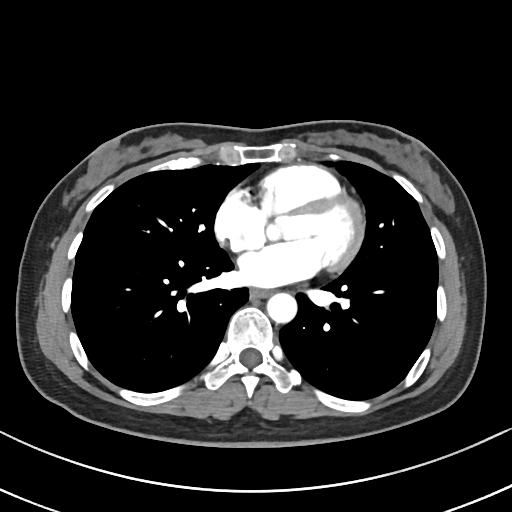 Lower-chest slice from an abdominal CT, just above the liver and spleen. Axial slice 240/242
The heart and lungs are never labeled in this dataset, so they have no box on this slice.
Boxes are (x1, y1, x2, y2) in pixels.
esophagus: (251, 287, 270, 298)
aorta: (266, 292, 296, 322)